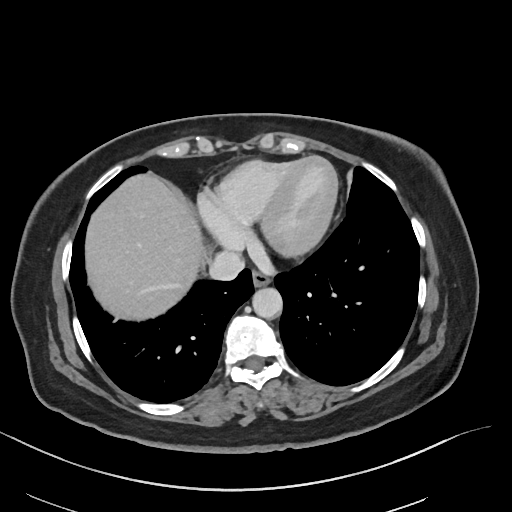

Computed tomography, abdomen — Axial slice 217/244 — 512x512 px — SOMATOM Force scanner
Boxes: x1 y1 x2 y2 (pixel coords, space-separated).
Organ bounding boxes:
- esophagus: 252 269 271 286
- liver: 84 173 202 318
- aorta: 252 288 282 318
- inferior vena cava: 209 252 245 281